CT abdomen. axial plane, index 36. abdomen soft-tissue window. SOMATOM Force scanner
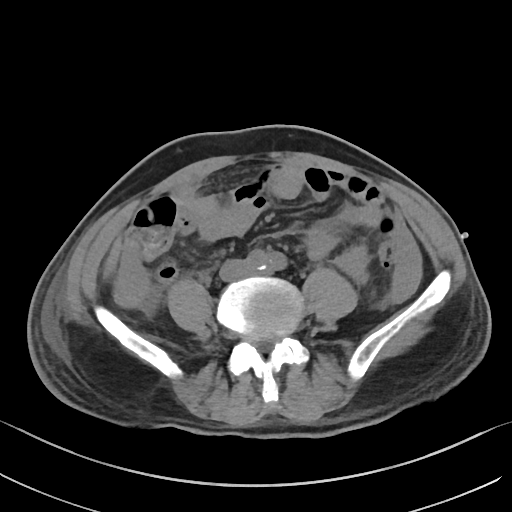 Box edges are left/top/right/bottom in pixels.
Organ bounding boxes:
- aorta: left=245, top=249, right=286, bottom=272
- inferior vena cava: left=219, top=259, right=250, bottom=281